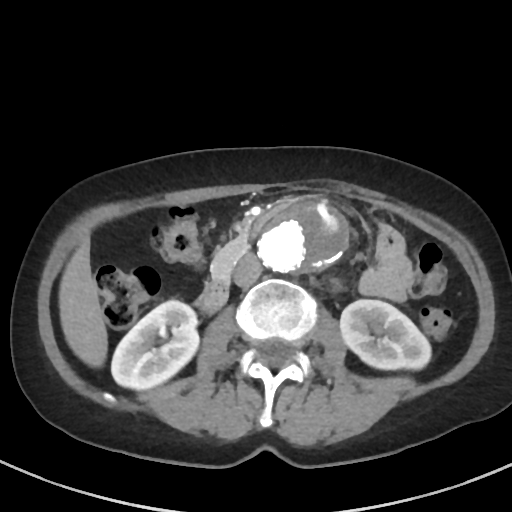
CT, abdomen/pelvis. axial view. scan has 15 labeled organs (a whole-scan count: organs this slice does not pass through have no box)
<organs><organ name="aorta" x1="259" y1="201" x2="346" y2="271"/><organ name="duodenum" x1="198" y1="280" x2="228" y2="312"/><organ name="pancreas" x1="210" y1="235" x2="248" y2="280"/><organ name="right kidney" x1="111" y1="300" x2="199" y2="390"/><organ name="liver" x1="59" y1="242" x2="107" y2="367"/><organ name="left kidney" x1="340" y1="299" x2="431" y2="369"/><organ name="inferior vena cava" x1="233" y1="253" x2="261" y2="287"/></organs>